Computed tomography, abdomen; axial view; soft-tissue window; 768x768 px; 24-year-old male patient
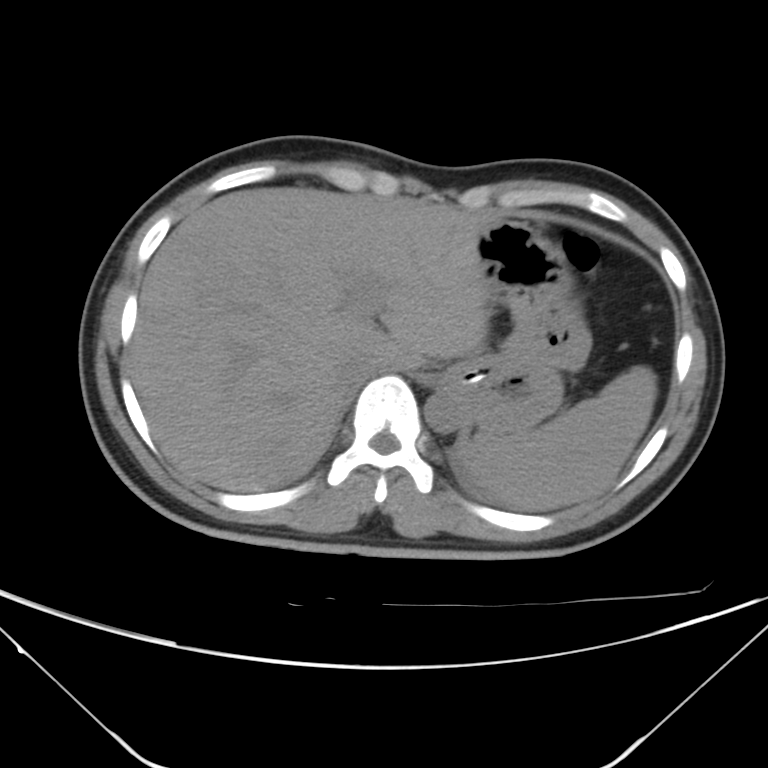 Box edges are left/top/right/bottom in pixels.
Organ bounding boxes:
- stomach: left=439, top=221, right=591, bottom=437
- inferior vena cava: left=338, top=356, right=380, bottom=388
- spleen: left=460, top=366, right=656, bottom=510
- liver: left=129, top=187, right=490, bottom=492
- aorta: left=425, top=391, right=466, bottom=432